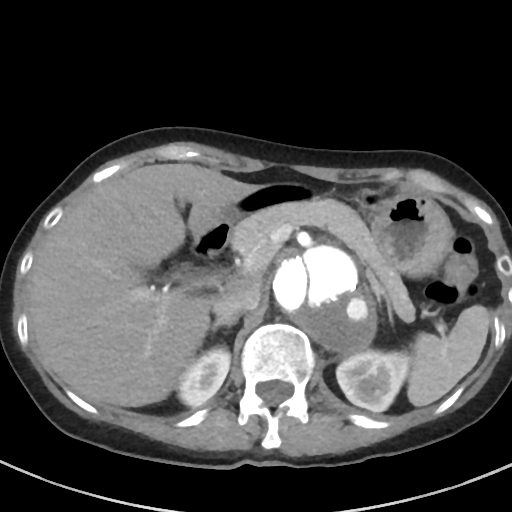

CT abdomen; Axial slice 58/116; acquired on SOMATOM Force; 15 organs annotated in this scan (that count is for the whole scan; organs this slice misses have no box)
Each box given as x1,y1,x2,y2.
spleen: x1=407, y1=305, x2=490, y2=406
right kidney: x1=178, y1=347, x2=230, y2=406
left kidney: x1=336, y1=350, x2=410, y2=411
liver: x1=28, y1=163, x2=257, y2=407
stomach: x1=215, y1=183, x2=453, y2=277
aorta: x1=274, y1=245, x2=375, y2=351
inferior vena cava: x1=213, y1=280, x2=260, y2=318
pancreas: x1=231, y1=198, x2=415, y2=322
right adrenal gland: x1=210, y1=317, x2=237, y2=331
left adrenal gland: x1=367, y1=273, x2=393, y2=323
duodenum: x1=193, y1=220, x2=232, y2=258